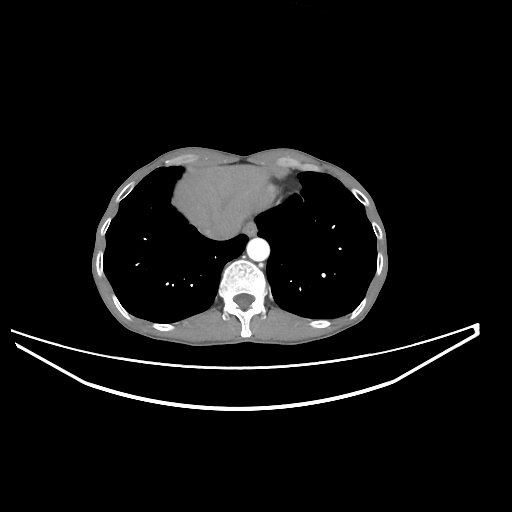 CT, abdomen/pelvis — axial view — 512x512 px — 60-year-old male patient — Aquilion ONE scanner — 15 organs annotated in this scan (that count is for the whole scan; organs this slice misses have no box)
Each box given as x1,y1,x2,y2. 4 labeled organs on this slice — esophagus at x1=243, y1=221, x2=257, y2=236; liver at x1=172, y1=165, x2=268, y2=231; aorta at x1=246, y1=237, x2=269, y2=261; inferior vena cava at x1=203, y1=220, x2=239, y2=240.